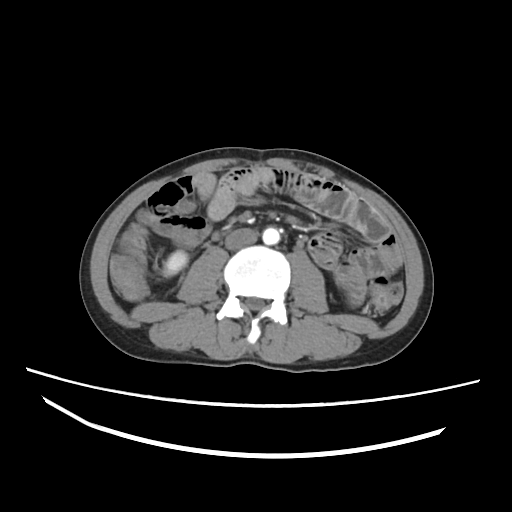
CT abdomen · axial view · 512x512 px
<organs><organ name="right kidney" x1="164" y1="251" x2="187" y2="275"/><organ name="aorta" x1="262" y1="227" x2="280" y2="244"/><organ name="inferior vena cava" x1="225" y1="228" x2="258" y2="249"/></organs>